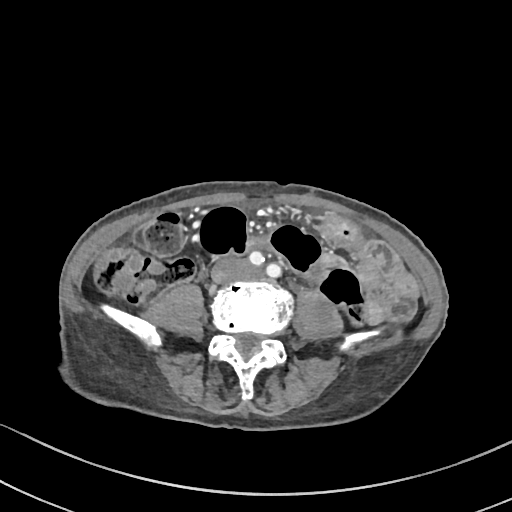

Computed tomography, abdomen; axial view
Box edges are left/top/right/bottom in pixels.
Organ bounding boxes:
- gall bladder: left=114, top=275, right=131, bottom=292
- inferior vena cava: left=212, top=258, right=248, bottom=283